Abdominal CT. axial view. abdomen soft-tissue window. 512x512 px. 57-year-old female patient
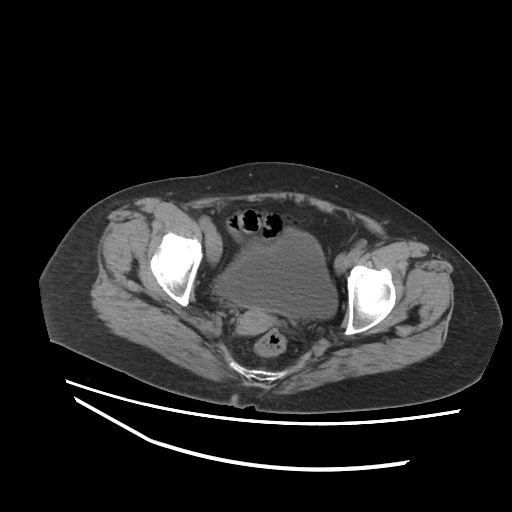
Bounding boxes as [x1, y1, x2, y2] in pixel coordinates.
prostate/uterus: [237, 309, 274, 334]
bladder: [214, 229, 337, 318]